CT abdomen. axial view
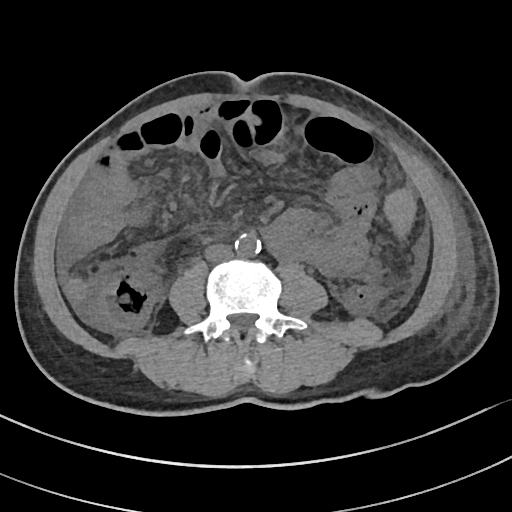

Each box given as x1,y1,x2,y2. The annotated organs in this slice are: spleen at x1=384, y1=189, x2=415, y2=237, aorta at x1=235, y1=233, x2=260, y2=257, inferior vena cava at x1=204, y1=244, x2=233, y2=262.